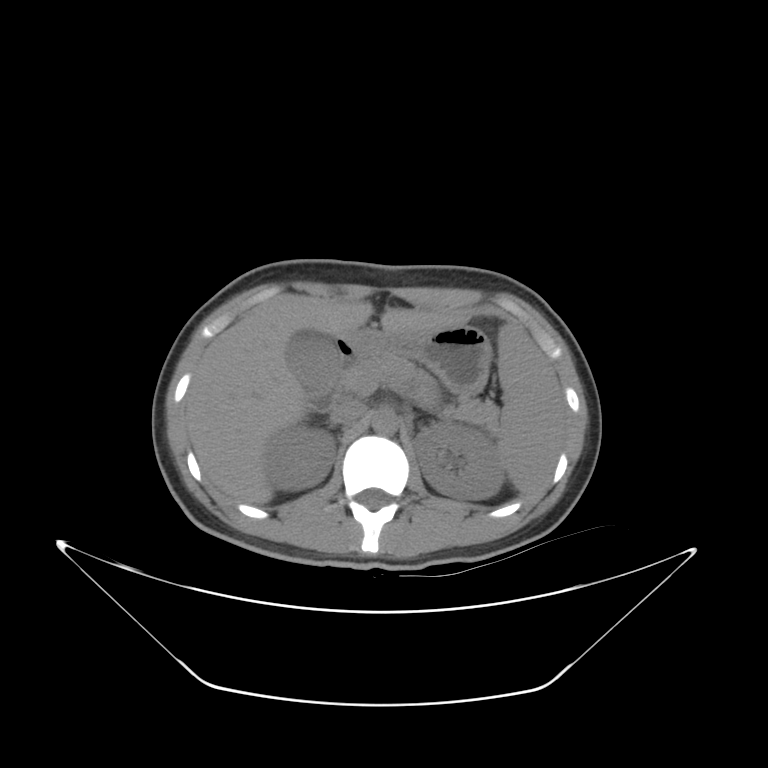

Abdominal CT · axial view · 768x768 px
<organs><organ name="spleen" x1="497" y1="321" x2="561" y2="492"/><organ name="right kidney" x1="266" y1="424" x2="337" y2="489"/><organ name="left kidney" x1="416" y1="423" x2="503" y2="500"/><organ name="gall bladder" x1="283" y1="327" x2="339" y2="396"/><organ name="liver" x1="184" y1="294" x2="547" y2="505"/><organ name="stomach" x1="349" y1="327" x2="489" y2="393"/><organ name="aorta" x1="372" y1="409" x2="398" y2="436"/><organ name="inferior vena cava" x1="331" y1="402" x2="367" y2="426"/><organ name="pancreas" x1="342" y1="355" x2="500" y2="425"/><organ name="duodenum" x1="302" y1="333" x2="355" y2="408"/></organs>